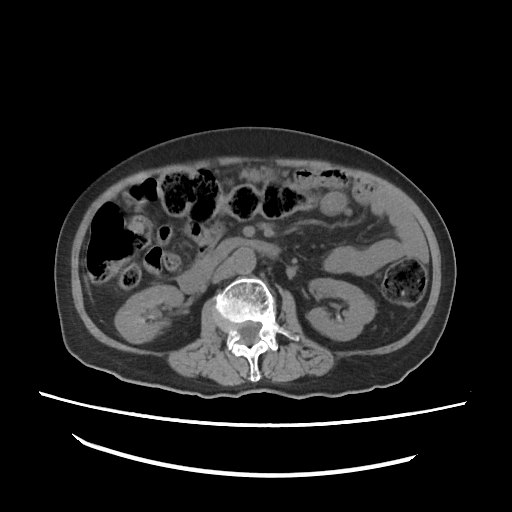 Computed tomography, abdomen · axial view · W/L 400/40 HU
{"organs":{"right kidney":[116,286,184,341],"left kidney":[308,279,374,339],"aorta":[232,247,256,274],"inferior vena cava":[212,258,232,281],"duodenum":[180,237,281,294]}}